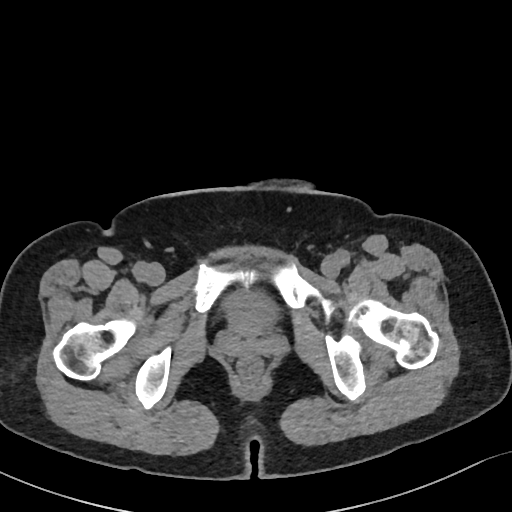

CT, abdomen/pelvis; axial view; 512x512 px; scan has 15 labeled organs (that count is for the whole scan; organs this slice misses have no box)
Bounding boxes in pixels, one row per box: x1, y1 is the top-left corner and x2, y2 the bottom-right.
| organ | x1 | y1 | x2 | y2 |
|---|---|---|---|---|
| bladder | 224 | 290 | 274 | 335 |